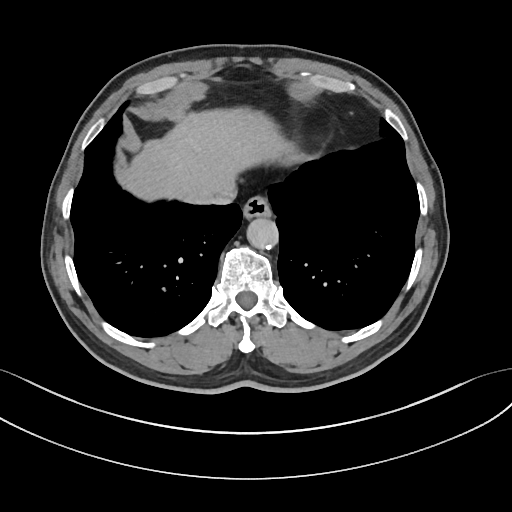 CT abdomen; axial view; 512x512 px
Boxes: x1 y1 x2 y2 (pixel coords, space-separated). The annotated organs in this slice are: inferior vena cava at 198 189 234 205, esophagus at 243 195 270 217, aorta at 246 217 277 248, liver at 114 108 299 203.